Abdominal CT reaching into the chest; this slice is in the chest · axial view · soft-tissue window
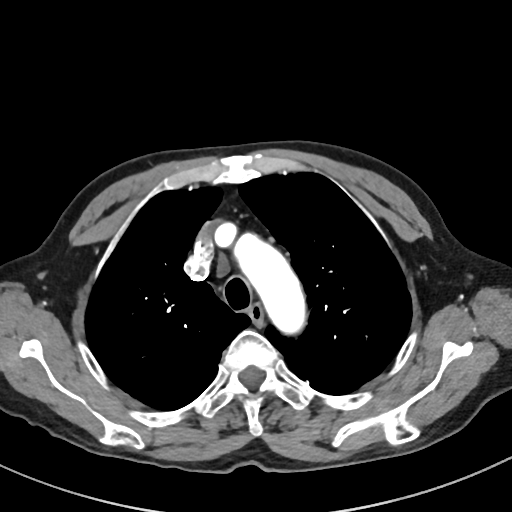

At this level of the chest no structure but the esophagus and the aorta has a label in this dataset, and those two are boxed only where they are labeled.
<organs><organ name="esophagus" x1="249" y1="304" x2="263" y2="324"/><organ name="aorta" x1="234" y1="233" x2="305" y2="334"/></organs>